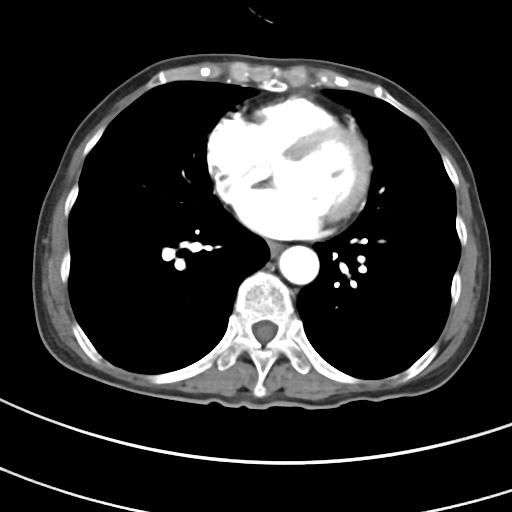

Lower-chest slice from an abdominal CT, just above the liver and spleen; Axial slice 84/118; 512x512 px
Of the structures in the chest, this dataset labels only the esophagus, the aorta and the inferior vena cava; the heart and lungs have no label.
Boxes: x1 y1 x2 y2 (pixel coords, space-separated).
esophagus: 268 241 282 255
aorta: 278 245 319 284